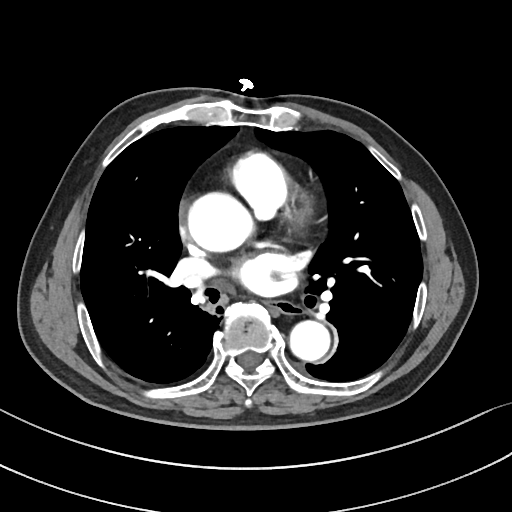 CT of the abdomen extending into the chest, slice through the chest · axial plane, index 230 · 15 organs annotated in this scan (counted over the whole 3D scan, not this slice; an organ is boxed only where this slice passes through it)
On a slice this high in the chest, this dataset labels only the esophagus and the aorta, and each is boxed only where it is labeled; the heart, lungs and other chest structures are not labeled.
Bounding boxes as [x1, y1, x2, y2] in pixel coordinates.
esophagus: [269, 302, 297, 314]
aorta: [190, 193, 255, 250]
aorta: [290, 321, 330, 361]